Abdominal CT — axial view — soft-tissue window (W 400 / L 40) — scan has 15 labeled organs (that count is for the whole scan; organs this slice misses have no box)
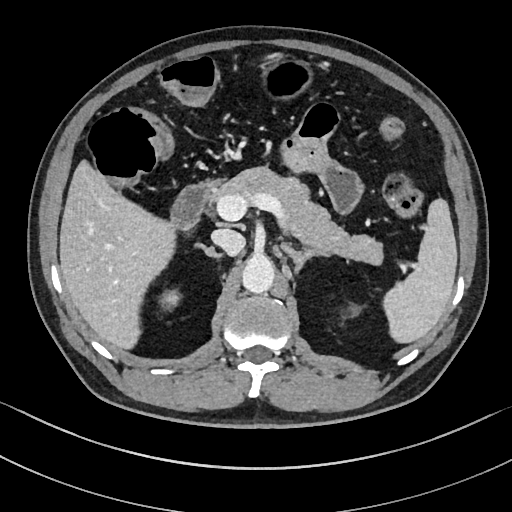
One row per box, in pixels: columns x1 and y1 give the top-left corner, x2 and y2 the bottom-right.
| organ | x1 | y1 | x2 | y2 |
|---|---|---|---|---|
| spleen | 385 | 199 | 457 | 344 |
| right kidney | 161 | 291 | 179 | 304 |
| left kidney | 350 | 306 | 363 | 318 |
| liver | 59 | 158 | 175 | 350 |
| stomach | 257 | 57 | 310 | 97 |
| aorta | 241 | 256 | 274 | 294 |
| inferior vena cava | 211 | 229 | 245 | 255 |
| pancreas | 218 | 166 | 383 | 265 |
| right adrenal gland | 196 | 246 | 223 | 258 |
| left adrenal gland | 281 | 244 | 330 | 275 |
| duodenum | 170 | 178 | 222 | 229 |